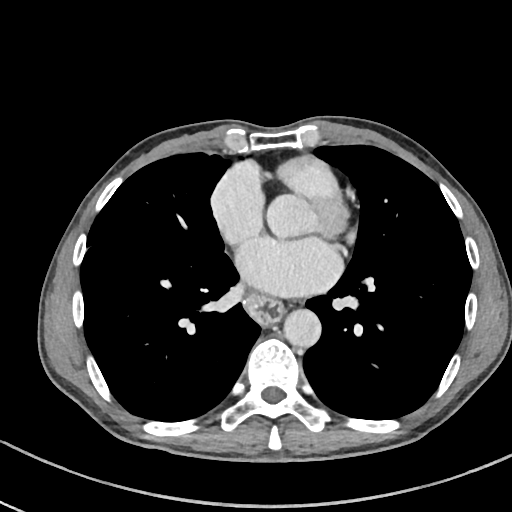

CT of the abdomen reaching into the lower chest, slice just above the liver and spleen · axial plane, index 221 · 512x512 px · SOMATOM Force scanner
The heart and lungs are never labeled in this dataset, so they have no box on this slice.
Coordinates as <box>x1,y1,x2,y2</box> in pixels.
Organ bounding boxes:
- aorta: <box>283,310,321,347</box>
- esophagus: <box>247,295,282,323</box>